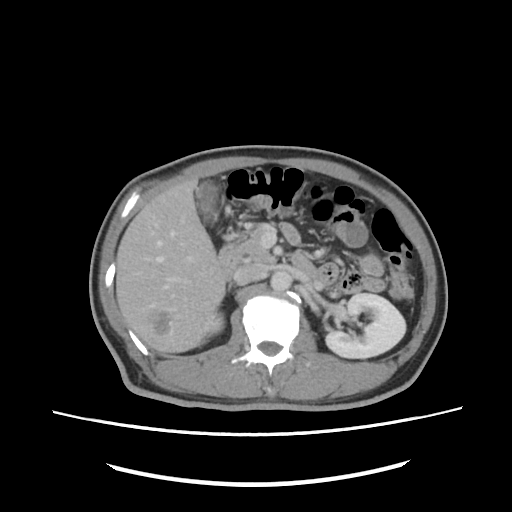
CT abdomen · axial view · abdomen soft-tissue window · 512x512 px · acquired on Aquilion ONE
Bounding boxes as [x1, y1, x2, y2] in pixel coordinates.
Organ bounding boxes:
- right kidney: [206, 313, 223, 334]
- left kidney: [325, 293, 405, 358]
- gall bladder: [195, 180, 217, 223]
- liver: [116, 179, 226, 352]
- aorta: [270, 270, 292, 291]
- inferior vena cava: [233, 263, 267, 285]
- pancreas: [241, 225, 275, 262]
- right adrenal gland: [228, 285, 231, 290]
- duodenum: [218, 238, 318, 279]